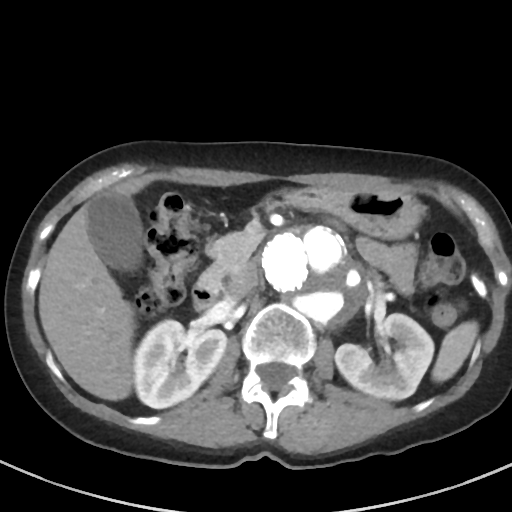
Computed tomography, abdomen · axial view · 512x512 px
Boxes: x1:y1:x2:y2 in pixels.
spleen: 432:321:478:382
right kidney: 133:320:226:408
left kidney: 335:313:434:399
gall bladder: 87:192:142:271
liver: 38:182:138:400
stomach: 264:187:424:239
aorta: 263:226:366:326
inferior vena cava: 228:263:258:299
pancreas: 200:231:263:286
duodenum: 192:279:220:309